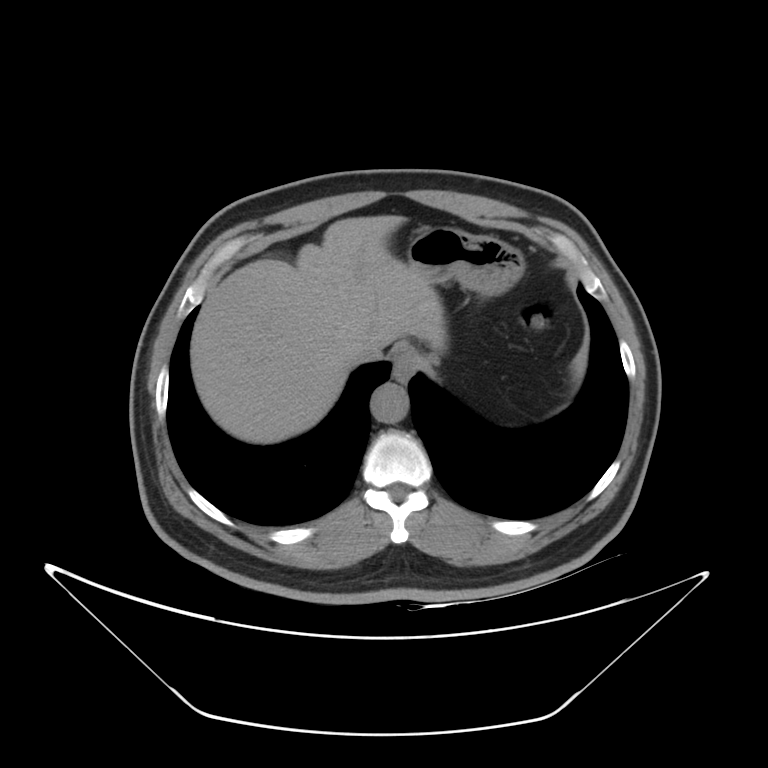
Computed tomography, abdomen; axial view; 768x768 px
One row per box, in pixels: columns x1 and y1 give the top-left corner, x2 and y2 the bottom-right.
| organ | x1 | y1 | x2 | y2 |
|---|---|---|---|---|
| stomach | 406 | 227 | 524 | 297 |
| aorta | 370 | 383 | 408 | 423 |
| inferior vena cava | 350 | 342 | 382 | 363 |
| esophagus | 391 | 344 | 422 | 383 |
| liver | 190 | 214 | 445 | 443 |